CT of the abdomen reaching into the lower chest, slice just above the liver and spleen · axial plane, index 260
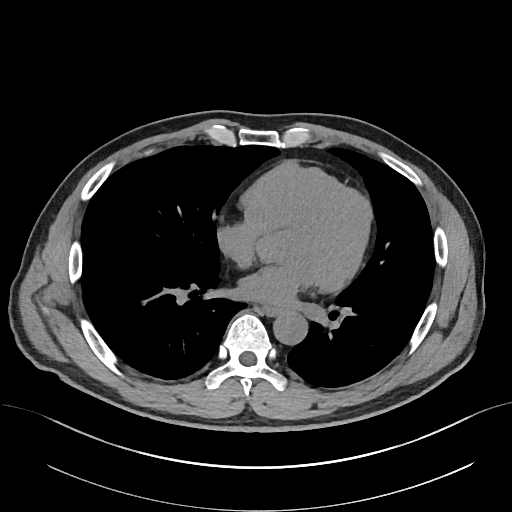

The heart and lungs are never labeled in this dataset, so they have no box on this slice.
Box edges are left/top/right/bottom in pixels.
Organ bounding boxes:
- esophagus: left=262, top=307, right=277, bottom=315
- aorta: left=272, top=312, right=307, bottom=345